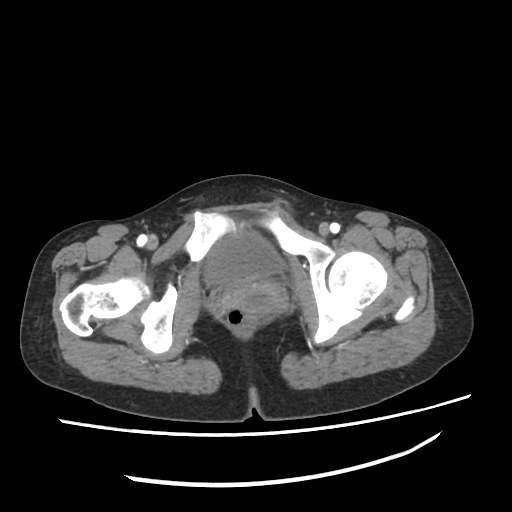

CT abdomen · axial view · 512x512 px
Coordinates as <box>x1,y1,x2,y2</box> in pixels.
Organ bounding boxes:
- bladder: <box>206,233,279,284</box>
- prostate/uterus: <box>231,282,285,311</box>